CT abdomen — axial view — soft-tissue window — 512x512 px — 15 organs annotated in this scan (a whole-scan count: organs this slice does not pass through have no box)
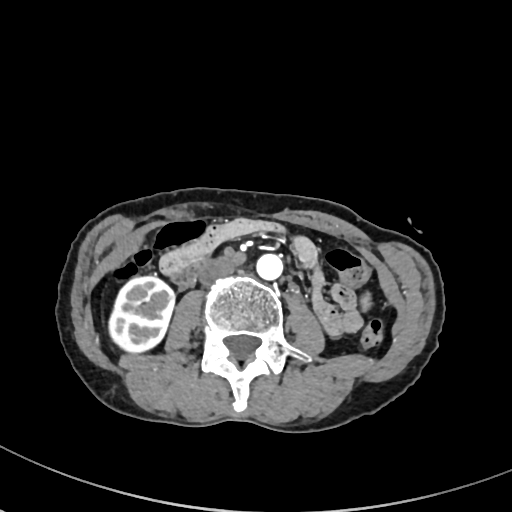

{"organs":{"aorta":[256,253,283,280],"inferior vena cava":[199,261,233,284],"right kidney":[109,276,174,352],"duodenum":[171,257,215,287]}}